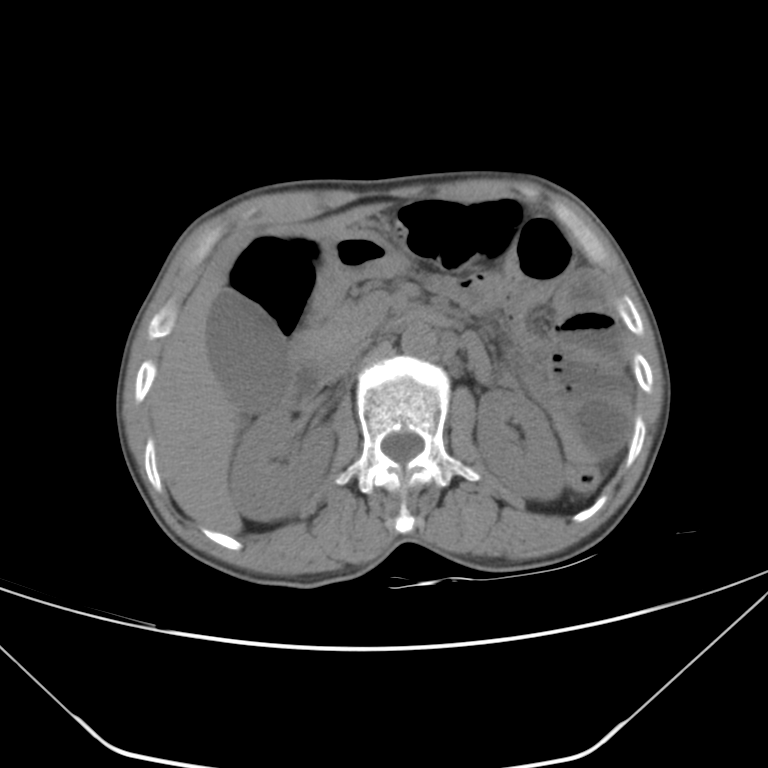 CT, abdomen/pelvis. axial view
<organs><organ name="right kidney" x1="228" y1="407" x2="334" y2="521"/><organ name="left kidney" x1="476" y1="389" x2="564" y2="500"/><organ name="gall bladder" x1="206" y1="288" x2="287" y2="407"/><organ name="liver" x1="149" y1="208" x2="366" y2="534"/><organ name="stomach" x1="314" y1="226" x2="408" y2="311"/><organ name="aorta" x1="401" y1="324" x2="437" y2="356"/><organ name="inferior vena cava" x1="329" y1="342" x2="368" y2="378"/><organ name="pancreas" x1="292" y1="304" x2="378" y2="368"/><organ name="duodenum" x1="276" y1="309" x2="450" y2="408"/></organs>